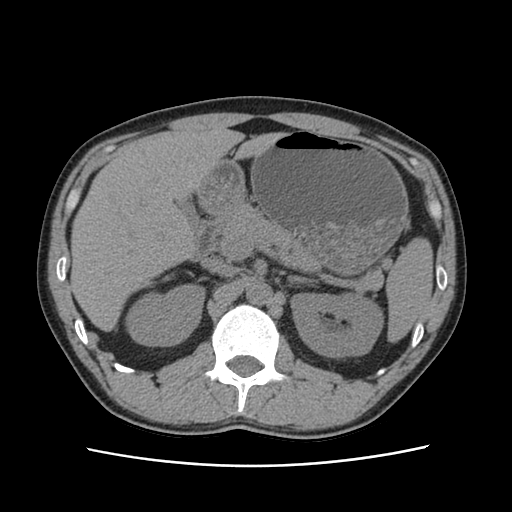
CT abdomen. axial plane, index 128. soft-tissue window (W 400 / L 40). 512x512 px. acquired on SOMATOM Force. 15 organs annotated in this scan (that count is for the whole scan; organs this slice misses have no box)
Bounding boxes in pixels, one row per box: x1, y1 is the top-left corner and x2, y2 the bottom-right.
| organ | x1 | y1 | x2 | y2 |
|---|---|---|---|---|
| stomach | 198 | 130 | 408 | 274 |
| spleen | 386 | 237 | 433 | 342 |
| duodenum | 194 | 218 | 219 | 258 |
| right kidney | 125 | 284 | 205 | 346 |
| gall bladder | 179 | 199 | 200 | 226 |
| left adrenal gland | 288 | 275 | 316 | 283 |
| liver | 70 | 129 | 284 | 331 |
| pancreas | 217 | 204 | 382 | 289 |
| left kidney | 291 | 293 | 383 | 357 |
| aorta | 246 | 280 | 272 | 304 |
| inferior vena cava | 201 | 257 | 236 | 275 |